Abdominal CT — axial view — 58-year-old male patient — acquired on Aquilion ONE
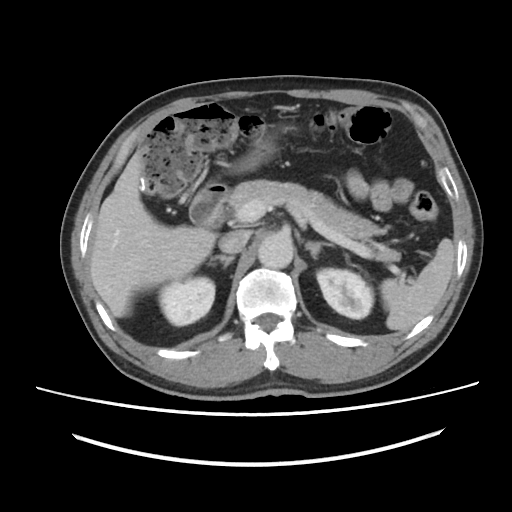
{"organs":{"spleen":[379,238,454,331],"right kidney":[158,276,215,325],"left kidney":[316,268,373,318],"liver":[90,151,216,317],"stomach":[238,137,275,170],"aorta":[258,233,293,268],"inferior vena cava":[219,230,250,253],"pancreas":[228,179,400,261],"right adrenal gland":[208,255,234,268],"left adrenal gland":[305,241,333,259],"duodenum":[189,183,230,228]}}